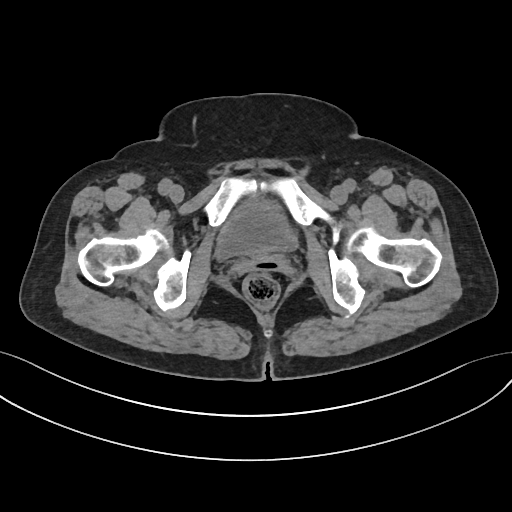 Abdominal CT · axial view · soft-tissue window (W 400 / L 40) · 512x512 px · acquired on SOMATOM Force · 15 organs annotated in this scan (that count is for the whole scan; organs this slice misses have no box)
One row per box, in pixels: columns x1 and y1 give the top-left corner, x2 and y2 the bottom-right.
| organ | x1 | y1 | x2 | y2 |
|---|---|---|---|---|
| bladder | 214 | 196 | 298 | 260 |